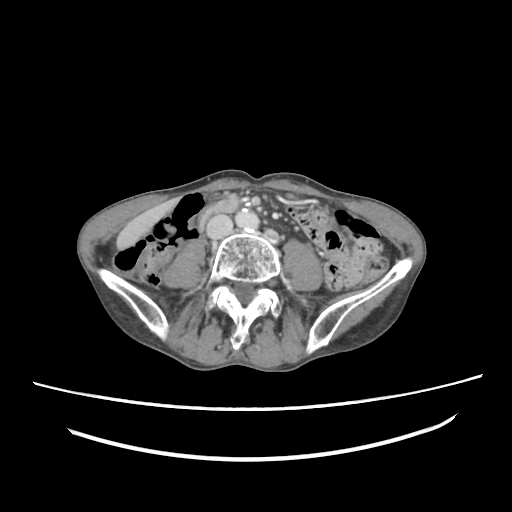 CT abdomen · axial view · soft-tissue window (W 400 / L 40) · 59-year-old male patient · acquired on Aquilion ONE
<organs><organ name="liver" x1="117" y1="197" x2="181" y2="249"/><organ name="aorta" x1="235" y1="208" x2="259" y2="231"/><organ name="inferior vena cava" x1="206" y1="214" x2="232" y2="238"/><organ name="duodenum" x1="197" y1="198" x2="239" y2="228"/></organs>